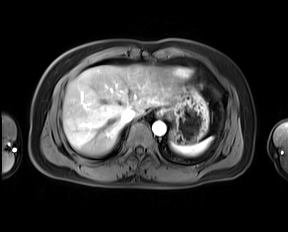
Abdominal MRI — Axial slice 54/72 — 1st–99th percentile window
{"organs":{"inferior vena cava":[121,109,135,122],"liver":[63,65,177,155],"stomach":[163,85,208,143],"esophagus":[156,109,164,117],"aorta":[152,121,165,135],"spleen":[173,137,212,155]}}